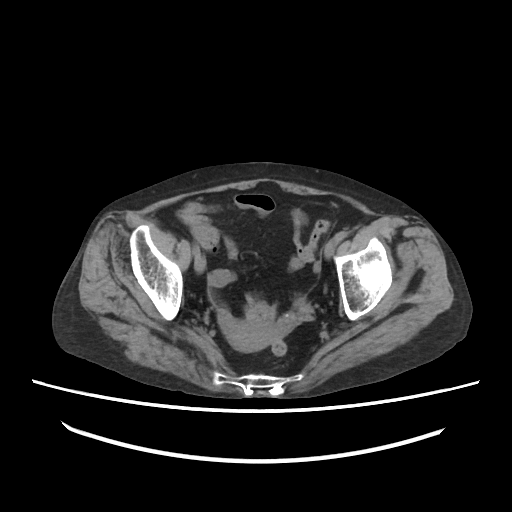

CT, abdomen/pelvis · axial view · soft-tissue window (W 400 / L 40) · 512x512 px · 61-year-old female patient · Aquilion ONE scanner
<organs><organ name="prostate/uterus" x1="226" y1="321" x2="272" y2="352"/></organs>